Abdominal MR; coronal view
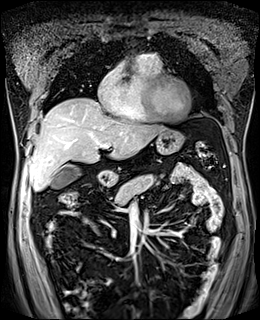 Organ boxes in pixel coordinates; each row gives the top-left (x1, y1) and bottom-right (x2, y2) corners.
| organ | x1 | y1 | x2 | y2 |
|---|---|---|---|---|
| gall bladder | 50 | 164 | 80 | 189 |
| liver | 29 | 98 | 166 | 191 |
| stomach | 96 | 129 | 184 | 185 |
| pancreas | 115 | 174 | 156 | 205 |